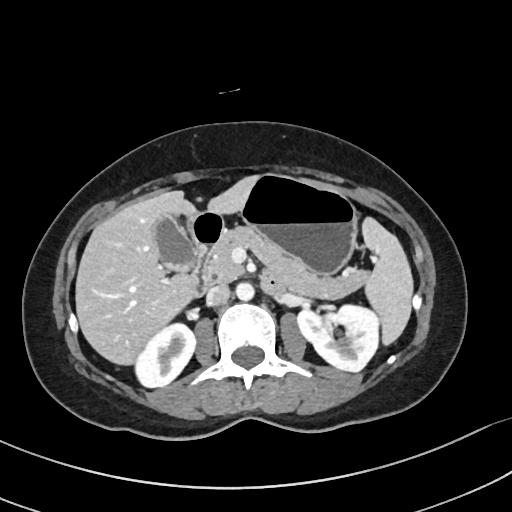 CT abdomen; Axial slice 131/175; soft-tissue window; 15 organs annotated in this scan (that count is for the whole scan; organs this slice misses have no box)
{"organs":{"spleen":[363,217,414,346],"right kidney":[135,325,195,388],"left kidney":[297,305,378,372],"gall bladder":[152,216,197,271],"liver":[74,174,257,366],"stomach":[189,174,358,275],"aorta":[236,283,255,301],"inferior vena cava":[206,284,230,306],"pancreas":[204,226,368,300],"duodenum":[190,211,281,299]}}